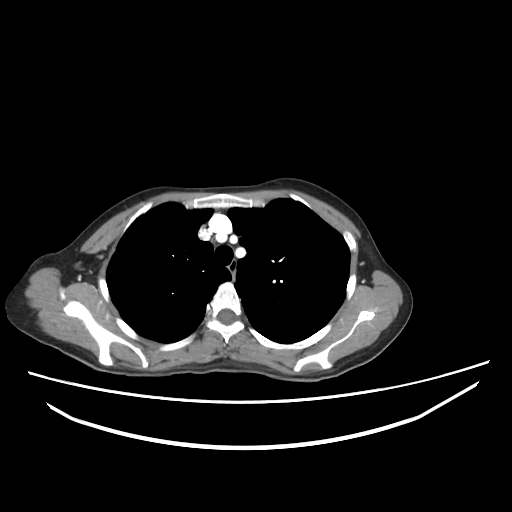
Abdominal CT reaching into the chest; this slice is in the chest. axial plane, index 101. soft-tissue window (W 400 / L 40)
At this level of the chest this dataset labels only the esophagus and the aorta, and each is boxed only where it is labeled; the heart and lungs are never labeled.
Coordinates as <box>x1,y1,x2,y2</box> in pixels.
Organ bounding boxes:
- esophagus: <box>230,263,235,279</box>